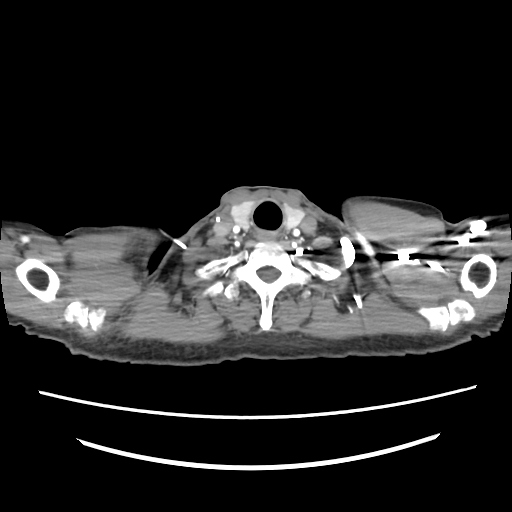 Chest-level CT slice, above the liver and spleen — Axial slice 133/134 — W/L 400/40 HU — 65-year-old male patient — acquired on Aquilion ONE
On a slice this high in the chest, this dataset labels only the esophagus and the aorta, and each is boxed only where it is labeled; the heart, lungs and other chest structures are not labeled.
Boxes: x1 y1 x2 y2 (pixel coords, space-separated).
esophagus: 257 231 276 241